Abdominal CT — axial view — 512x512 px — acquired on SOMATOM Force
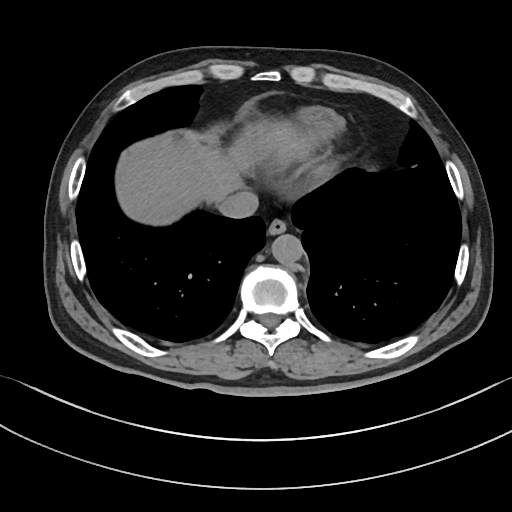
Bounding boxes in pixels, one row per box: x1, y1 is the top-left corner and x2, y2 the bottom-right.
| organ | x1 | y1 | x2 | y2 |
|---|---|---|---|---|
| esophagus | 267 | 218 | 286 | 235 |
| liver | 115 | 118 | 317 | 225 |
| aorta | 271 | 234 | 303 | 265 |
| inferior vena cava | 218 | 191 | 258 | 218 |